CT abdomen. axial view. 15 organs annotated in this scan (counted over the whole 3D scan, not this slice; an organ is boxed only where this slice passes through it)
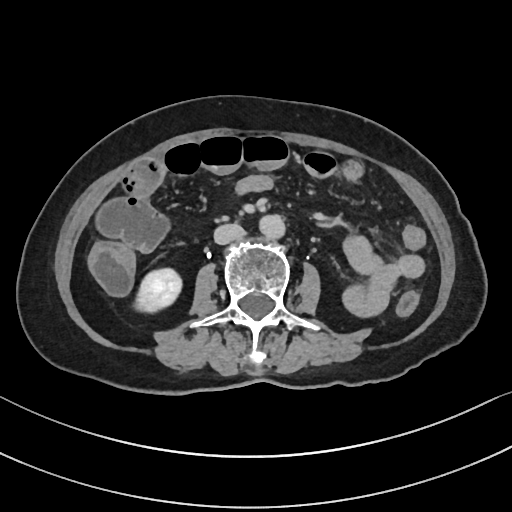

Bounding boxes as [x1, y1, x2, y2] in pixel coordinates. The annotated organs in this slice are: right kidney at [134, 268, 181, 312], aorta at [259, 215, 285, 239], inferior vena cava at [214, 224, 244, 244].